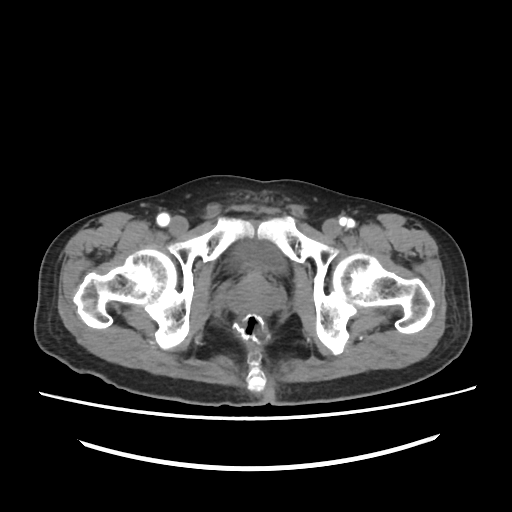 CT, abdomen/pelvis. axial view. soft-tissue window
{"organs":{"bladder":[234,241,284,271],"prostate/uterus":[227,273,280,315]}}